Abdominal CT; this slice is in the lower chest, just above the liver — Axial slice 216/306 — 512x512 px — 15 organs annotated in this scan (a whole-scan count: organs this slice does not pass through have no box)
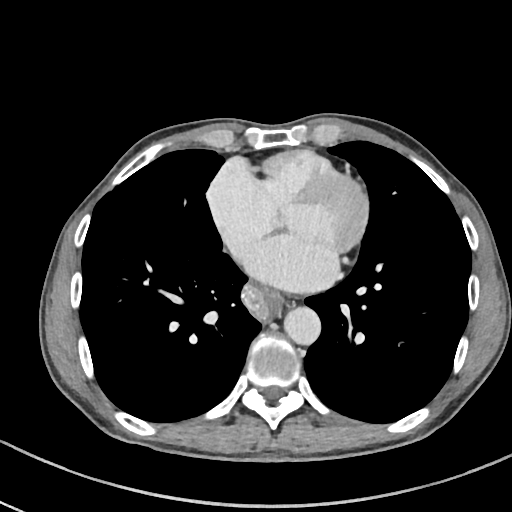
No part of the heart or lungs is labeled in this dataset, so neither has a box here. Boxes: x1:y1:x2:y2 in pixels. Labeled organs on this slice: aorta at 284:306:320:344, esophagus at 244:283:285:318.